CT, abdomen/pelvis; Axial slice 136/192; abdomen soft-tissue window; 512x512 px
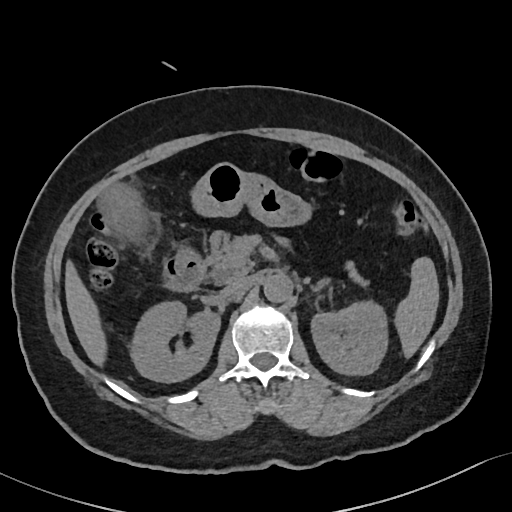

<organs><organ name="aorta" x1="263" y1="273" x2="292" y2="302"/><organ name="left adrenal gland" x1="311" y1="281" x2="325" y2="291"/><organ name="spleen" x1="394" y1="257" x2="439" y2="357"/><organ name="gall bladder" x1="100" y1="184" x2="145" y2="238"/><organ name="right kidney" x1="130" y1="301" x2="220" y2="382"/><organ name="left kidney" x1="311" y1="301" x2="387" y2="375"/><organ name="stomach" x1="191" y1="162" x2="311" y2="226"/><organ name="pancreas" x1="205" y1="230" x2="366" y2="285"/><organ name="inferior vena cava" x1="221" y1="276" x2="248" y2="297"/><organ name="liver" x1="65" y1="261" x2="106" y2="365"/><organ name="duodenum" x1="163" y1="246" x2="229" y2="291"/></organs>